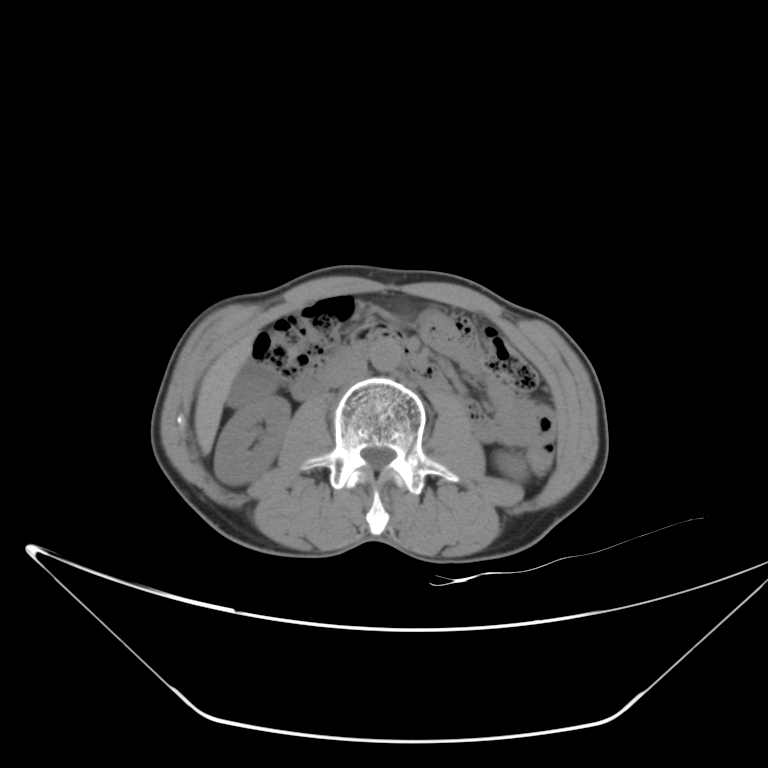
Abdominal CT. axial view. W/L 400/40 HU
Boxes are (x1, y1, x2, y2) in pixels.
Organ bounding boxes:
- right kidney: (215, 396, 290, 485)
- left kidney: (494, 451, 526, 479)
- gall bladder: (226, 362, 278, 410)
- liver: (195, 334, 253, 453)
- aorta: (370, 340, 401, 371)
- inferior vena cava: (327, 359, 366, 387)
- duodenum: (291, 331, 451, 400)